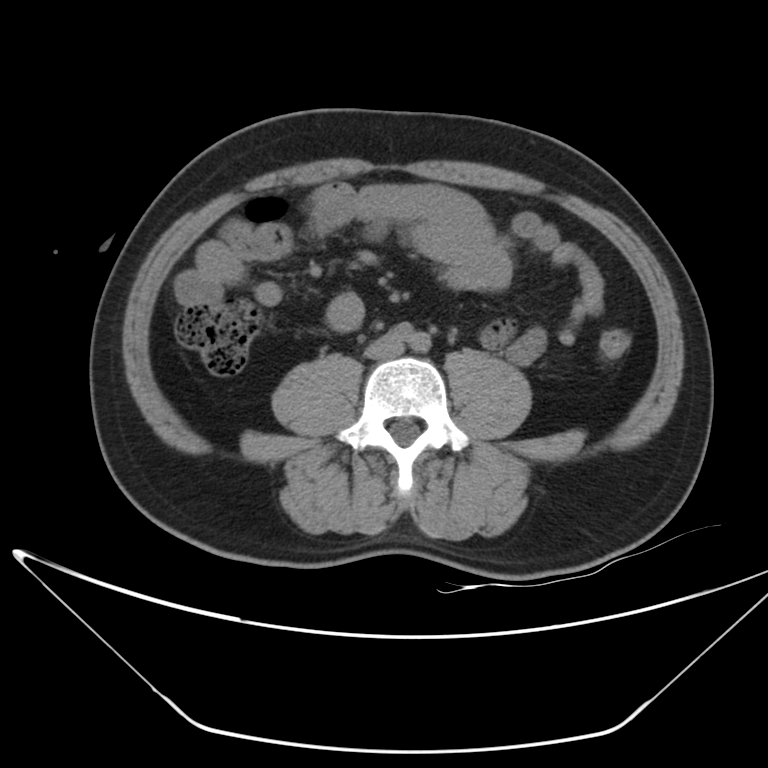 CT abdomen. axial view. W/L 400/40 HU. 42-year-old male patient
{"organs":{"inferior vena cava":[365,332,404,358]}}